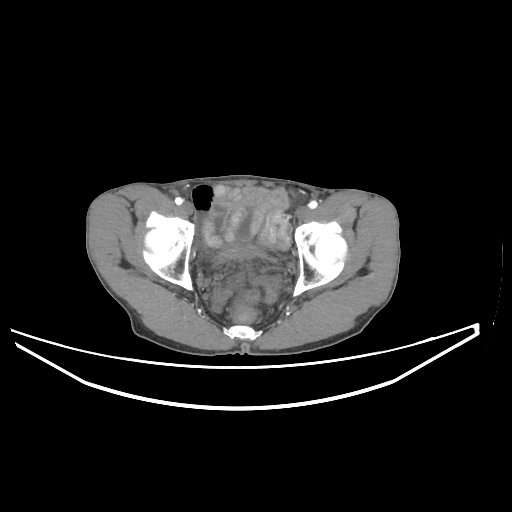 Computed tomography, abdomen — axial view — W/L 400/40 HU — 512x512 px — acquired on Aquilion ONE — 15 organs annotated in this scan (a whole-scan count: organs this slice does not pass through have no box)
One row per box, in pixels: columns x1 and y1 give the top-left corner, x2 and y2 the bottom-right.
| organ | x1 | y1 | x2 | y2 |
|---|---|---|---|---|
| bladder | 217 | 245 | 261 | 260 |